Abdominal MR — axial plane, index 52 — 1st–99th percentile window — 320x260 px — 13 organs annotated in this scan (that count is for the whole scan; organs this slice misses have no box)
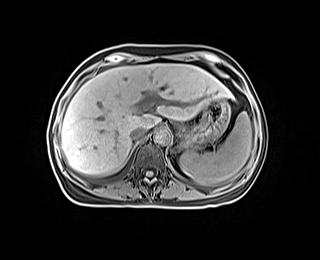 Organ boxes in pixel coordinates; each row gives the top-left (x1, y1) and bottom-right (x2, y2) corners.
| organ | x1 | y1 | x2 | y2 |
|---|---|---|---|---|
| spleen | 179 | 112 | 252 | 185 |
| liver | 61 | 64 | 232 | 174 |
| stomach | 179 | 98 | 230 | 149 |
| aorta | 154 | 128 | 170 | 144 |
| inferior vena cava | 130 | 128 | 146 | 140 |